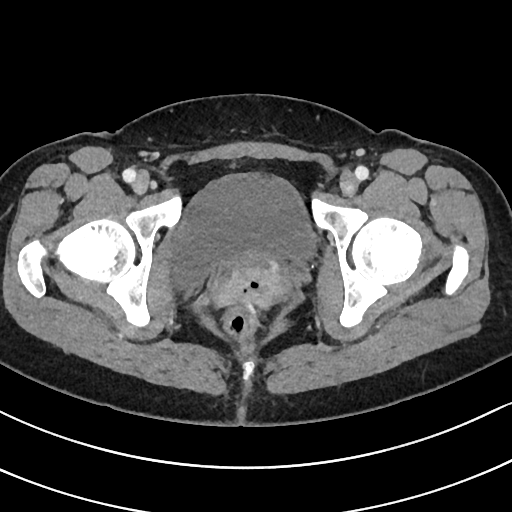

CT abdomen — axial view — soft-tissue window (W 400 / L 40) — scan has 15 labeled organs (that count is for the whole scan; organs this slice misses have no box)
{"organs":{"bladder":[170,174,313,288]}}